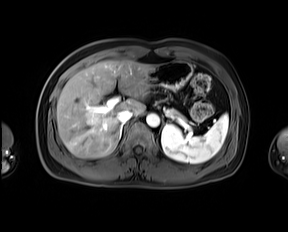 Abdominal MR. axial plane, index 41. 1st–99th percentile window. 288x232 px
<organs><organ name="spleen" x1="161" y1="114" x2="228" y2="163"/><organ name="liver" x1="57" y1="60" x2="154" y2="158"/><organ name="stomach" x1="148" y1="60" x2="192" y2="89"/><organ name="aorta" x1="146" y1="113" x2="159" y2="127"/><organ name="inferior vena cava" x1="117" y1="110" x2="132" y2="122"/><organ name="pancreas" x1="169" y1="109" x2="181" y2="116"/><organ name="right adrenal gland" x1="119" y1="125" x2="123" y2="140"/></organs>